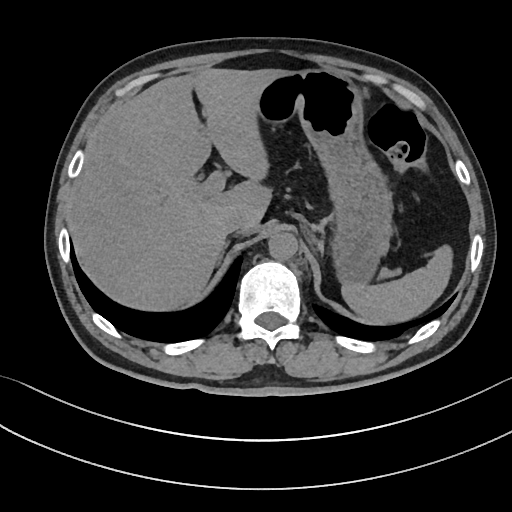 CT, abdomen/pelvis; axial plane, index 183; 512x512 px
{"organs":{"spleen":[342,247,450,322],"liver":[69,69,288,308],"stomach":[256,70,393,286],"aorta":[268,231,297,260],"inferior vena cava":[223,210,247,235]}}